CT, abdomen/pelvis — axial view — soft-tissue window (W 400 / L 40)
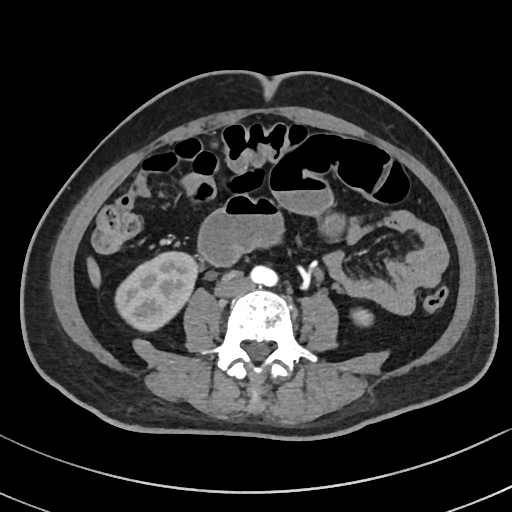

{"organs":{"right kidney":[115,252,197,331],"left kidney":[351,309,373,326],"liver":[87,257,100,287],"aorta":[250,266,277,286],"inferior vena cava":[215,275,249,296]}}